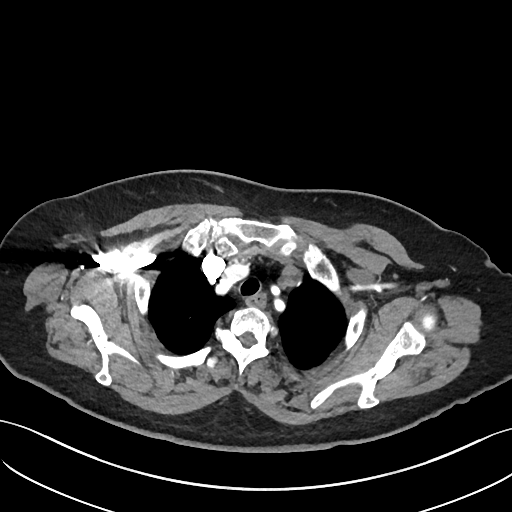 Chest-level slice from an abdominal CT that extends up into the chest; axial plane, index 259; soft-tissue window (W 400 / L 40)
At this level of the chest this dataset labels only the esophagus and the aorta, and each is boxed only where it is labeled; the heart and lungs are never labeled.
{"organs":{"esophagus":[246,292,266,308]}}